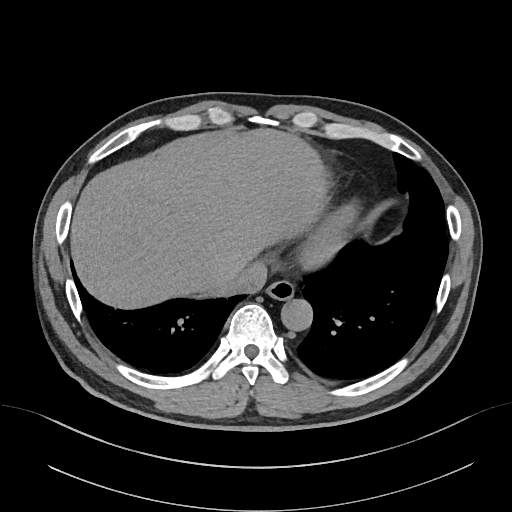
CT abdomen; axial view; soft-tissue window (W 400 / L 40); 512x512 px
{"organs":{"esophagus":[266,280,294,299],"liver":[70,128,328,308],"aorta":[281,299,312,331],"inferior vena cava":[221,261,267,294]}}